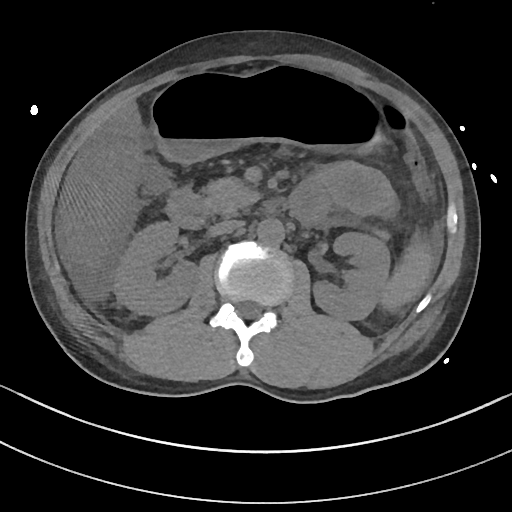 Computed tomography, abdomen — axial view — 512x512 px — acquired on SOMATOM Force
Box edges are left/top/right/bottom in pixels.
spleen: left=382, top=243, right=433, bottom=308
right kidney: left=113, top=220, right=197, bottom=315
left kidney: left=312, top=232, right=390, bottom=319
liver: left=61, top=103, right=142, bottom=263
stomach: left=150, top=67, right=381, bottom=161
aorta: left=256, top=217, right=284, bottom=245
inferior vena cava: left=208, top=219, right=243, bottom=235
pancreas: left=203, top=177, right=389, bottom=238
duodenum: left=166, top=184, right=325, bottom=227